Abdominal CT reaching into the chest; this slice is in the chest — axial view — soft-tissue window, W/L 400/40 — scan has 15 labeled organs (a whole-scan count: organs this slice does not pass through have no box)
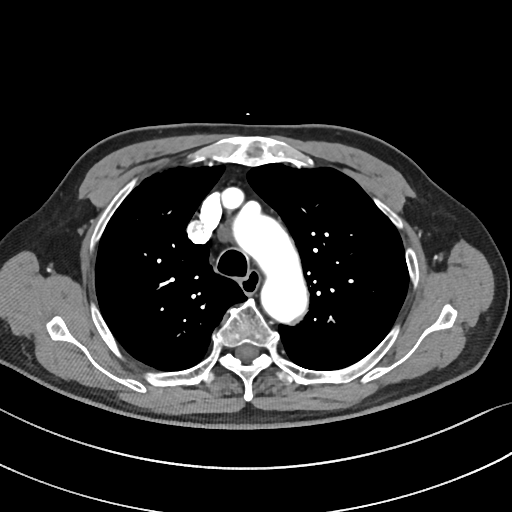
On a slice this high in the chest, this dataset labels only the esophagus and the aorta, and each is boxed only where it is labeled; the heart, lungs and other chest structures are not labeled.
Box edges are left/top/right/bottom in pixels.
Organ bounding boxes:
- esophagus: left=240, top=272, right=258, bottom=295
- aorta: left=236, top=209, right=306, bottom=320